Computed tomography, abdomen. axial view
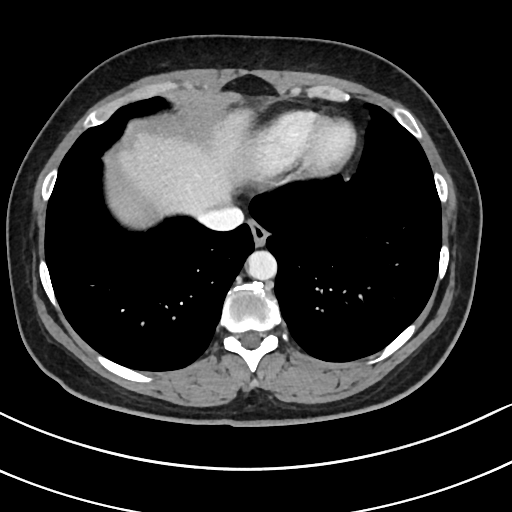 Boxes are (x1, y1, x2, y2) in pixels.
Organ bounding boxes:
- esophagus: (248, 220, 268, 245)
- liver: (107, 109, 252, 227)
- aorta: (247, 250, 277, 280)
- inferior vena cava: (198, 206, 243, 231)